Abdominal CT · axial plane, index 207
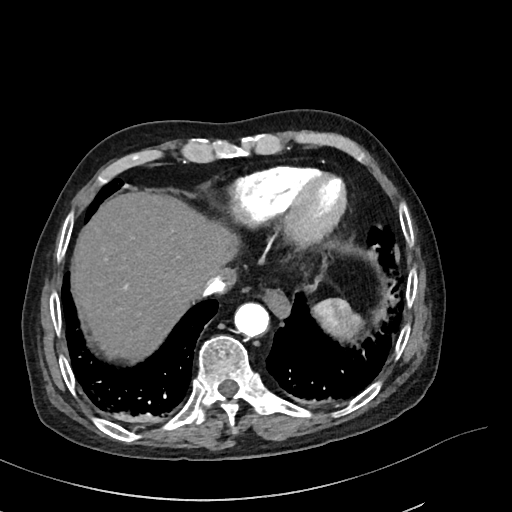

Boxes are (x1, y1, x2, y2) in pixels.
inferior vena cava: (197, 269, 235, 297)
aorta: (234, 303, 269, 337)
liver: (73, 193, 238, 359)
esophagus: (266, 293, 290, 316)
spleen: (313, 299, 362, 336)